Lower-chest slice from an abdominal CT, just above the liver and spleen. axial plane, index 221. soft-tissue window
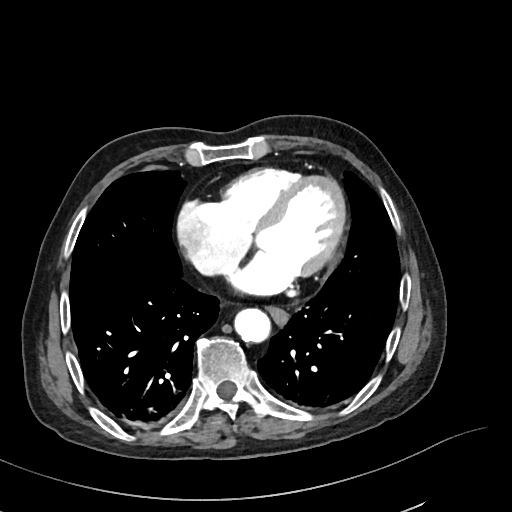 The heart and lungs are never labeled in this dataset, so they have no box on this slice.
<organs><organ name="esophagus" x1="268" y1="307" x2="287" y2="324"/><organ name="aorta" x1="234" y1="308" x2="270" y2="342"/></organs>